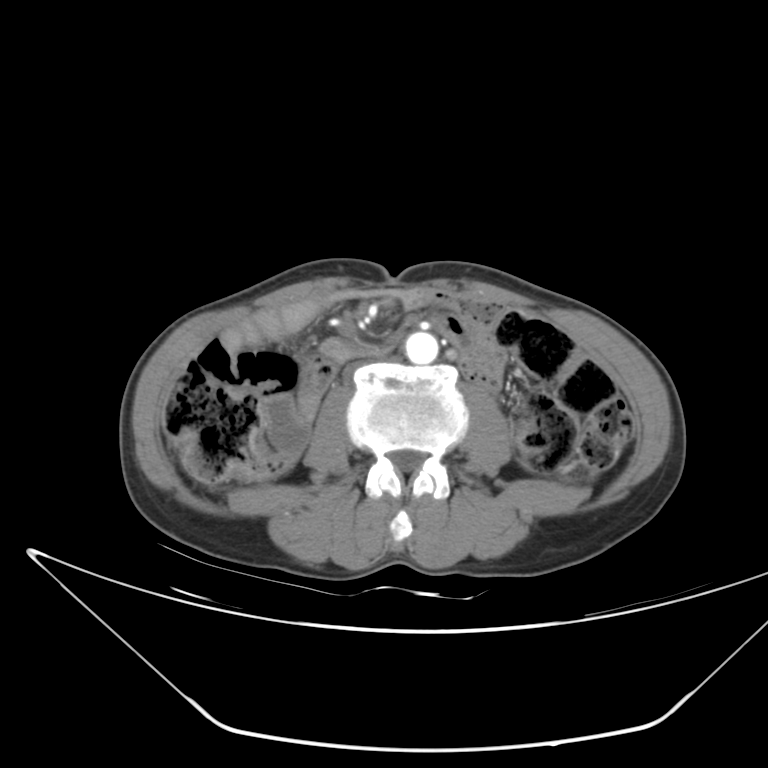

CT abdomen. axial view. soft-tissue window. 768x768 px. acquired on Brilliance16. scan has 13 labeled organs (a whole-scan count: organs this slice does not pass through have no box)
<organs><organ name="aorta" x1="405" y1="332" x2="438" y2="364"/><organ name="inferior vena cava" x1="345" y1="362" x2="370" y2="376"/></organs>